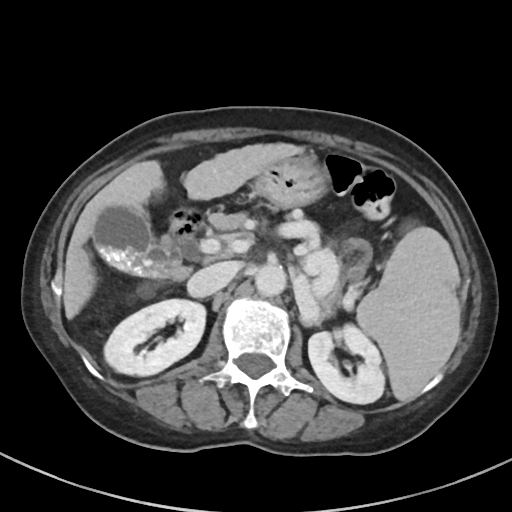

CT, abdomen/pelvis · axial plane, index 56 · soft-tissue window (W 400 / L 40) · scan has 15 labeled organs (counted over the whole 3D scan, not this slice; an organ is boxed only where this slice passes through it)
Bounding boxes in pixels, one row per box: x1, y1 is the top-left corner and x2, y2 the bottom-right.
| organ | x1 | y1 | x2 | y2 |
|---|---|---|---|---|
| spleen | 357 | 227 | 459 | 400 |
| right kidney | 104 | 299 | 205 | 375 |
| left kidney | 308 | 324 | 384 | 403 |
| gall bladder | 92 | 206 | 181 | 278 |
| liver | 63 | 142 | 304 | 319 |
| stomach | 252 | 155 | 369 | 281 |
| aorta | 255 | 264 | 286 | 296 |
| inferior vena cava | 188 | 262 | 238 | 296 |
| pancreas | 304 | 316 | 307 | 319 |
| duodenum | 169 | 209 | 202 | 244 |